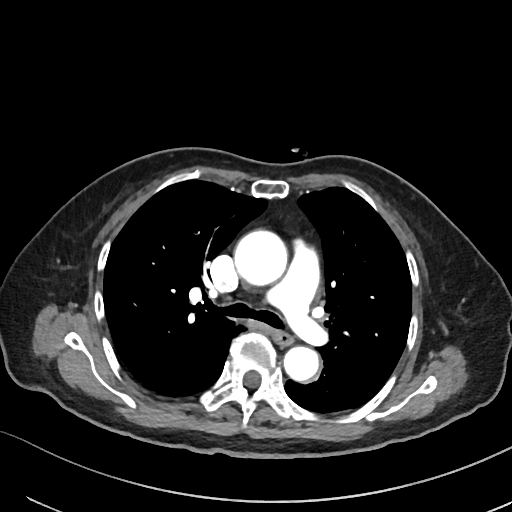
Chest-level CT slice, above the liver and spleen — axial view
At this level of the chest no structure but the esophagus and the aorta has a label in this dataset, and those two are boxed only where they are labeled.
{"organs":{"esophagus":[273,330,293,345],"aorta":[[234,230,287,285],[284,346,318,381]]}}